Computed tomography, abdomen; axial view; Aquilion ONE scanner
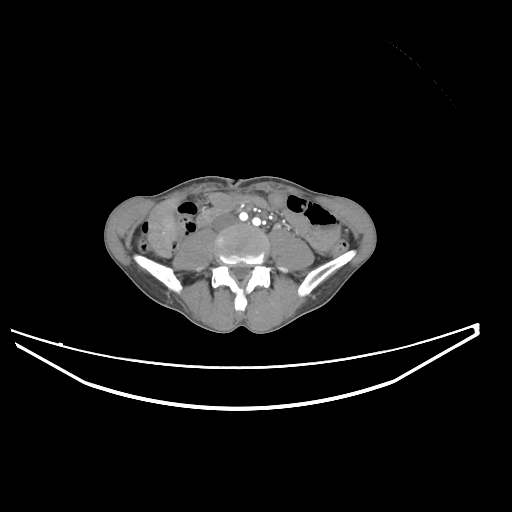

<organs><organ name="liver" x1="148" y1="198" x2="182" y2="257"/><organ name="inferior vena cava" x1="214" y1="215" x2="235" y2="229"/><organ name="duodenum" x1="196" y1="207" x2="222" y2="226"/></organs>